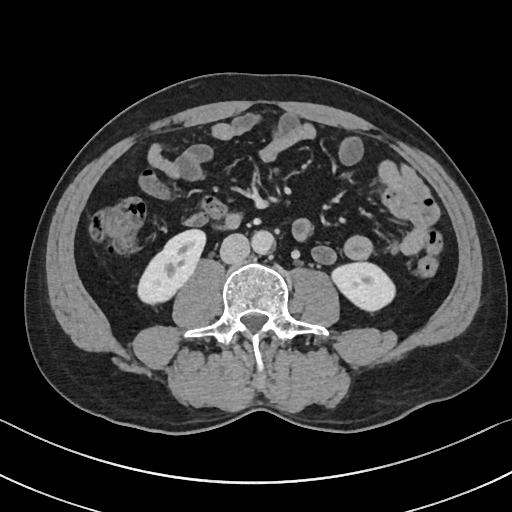
CT abdomen — axial view — abdomen soft-tissue window
Boxes: x1:y1:x2:y2 in pixels.
right kidney: 138:230:205:304
left kidney: 332:262:395:311
aorta: 251:230:274:254
inferior vena cava: 220:233:249:263